CT abdomen. axial view. soft-tissue window. 49-year-old male patient. scan has 15 labeled organs (a whole-scan count: organs this slice does not pass through have no box)
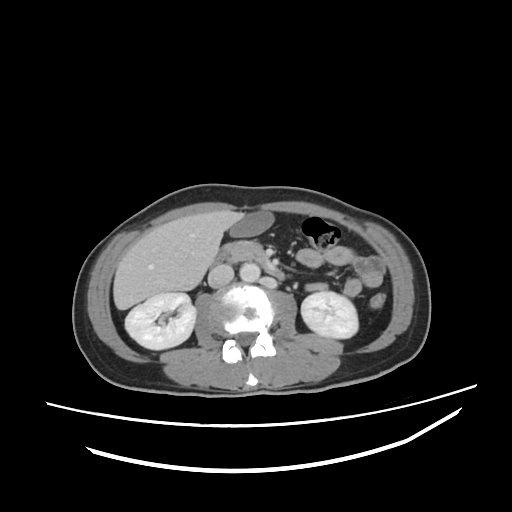

One row per box, in pixels: columns x1 and y1 give the top-left corner, x2 and y2 the bottom-right.
| organ | x1 | y1 | x2 | y2 |
|---|---|---|---|---|
| liver | 113 | 210 | 244 | 309 |
| aorta | 239 | 263 | 260 | 282 |
| right kidney | 125 | 292 | 195 | 349 |
| left kidney | 301 | 291 | 358 | 338 |
| pancreas | 225 | 240 | 263 | 260 |
| gall bladder | 229 | 212 | 272 | 236 |
| duodenum | 212 | 247 | 285 | 280 |
| inferior vena cava | 208 | 264 | 234 | 288 |